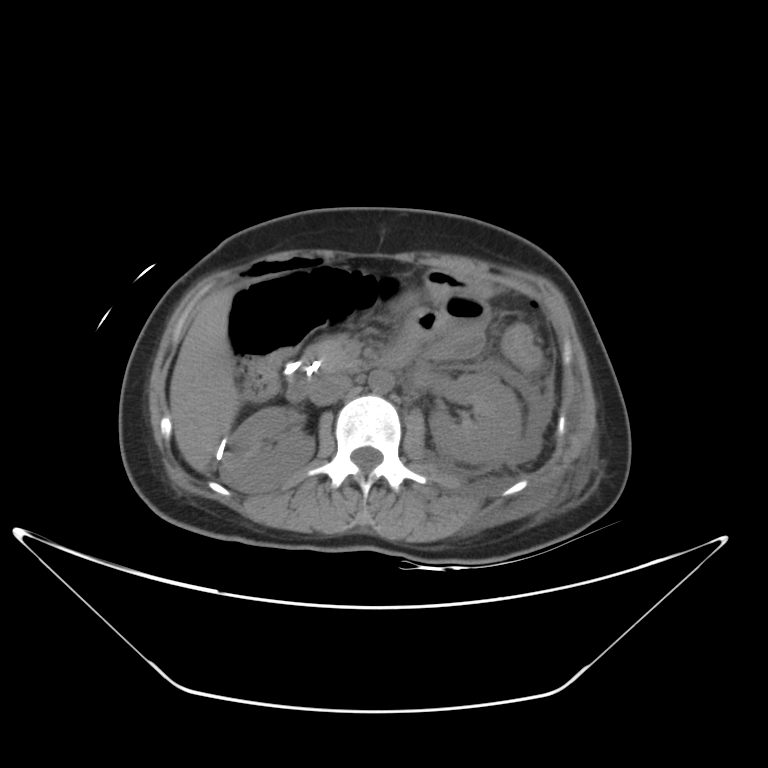 Abdominal CT; Axial slice 63/95; 768x768 px
{"organs":{"right kidney":[220,407,314,492],"left kidney":[429,373,522,463],"liver":[169,287,239,472],"stomach":[400,268,491,312],"aorta":[369,370,394,393],"inferior vena cava":[308,373,352,405],"pancreas":[312,336,358,373],"duodenum":[284,353,411,401]}}